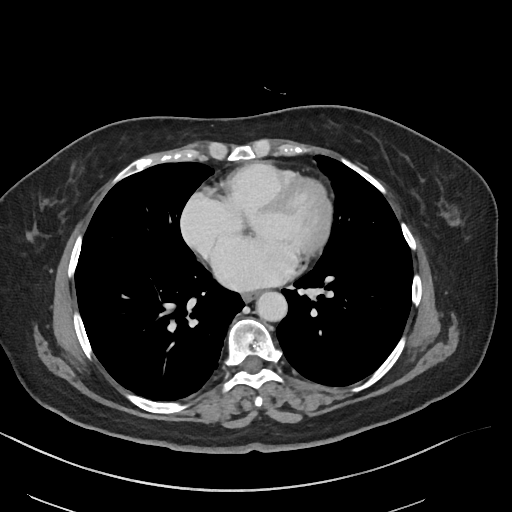 Lower-chest slice from an abdominal CT, just above the liver and spleen — axial plane, index 231 — 15 organs annotated in this scan (counted over the whole 3D scan, not this slice; an organ is boxed only where this slice passes through it)
The heart and lungs are never labeled in this dataset, so they have no box on this slice. Coordinates as <box>x1,y1,x2,y2</box> in pixels. Labeled organs on this slice: esophagus at <box>243,290,259,300</box>, aorta at <box>255,291,286,321</box>.